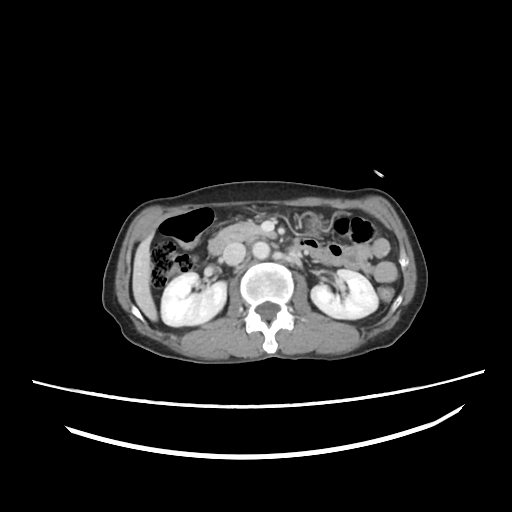

CT, abdomen/pelvis — axial plane, index 54 — 512x512 px — 68-year-old female patient — scan has 15 labeled organs (that count is for the whole scan; organs this slice misses have no box)
Organ boxes in pixel coordinates; each row gives the top-left (x1, y1) and bottom-right (x2, y2) corners.
| organ | x1 | y1 | x2 | y2 |
|---|---|---|---|---|
| right kidney | 161 | 273 | 225 | 325 |
| left kidney | 310 | 269 | 378 | 318 |
| liver | 132 | 232 | 158 | 320 |
| stomach | 297 | 212 | 320 | 236 |
| aorta | 253 | 242 | 269 | 258 |
| inferior vena cava | 222 | 242 | 246 | 264 |
| pancreas | 219 | 219 | 276 | 243 |
| duodenum | 208 | 235 | 225 | 256 |